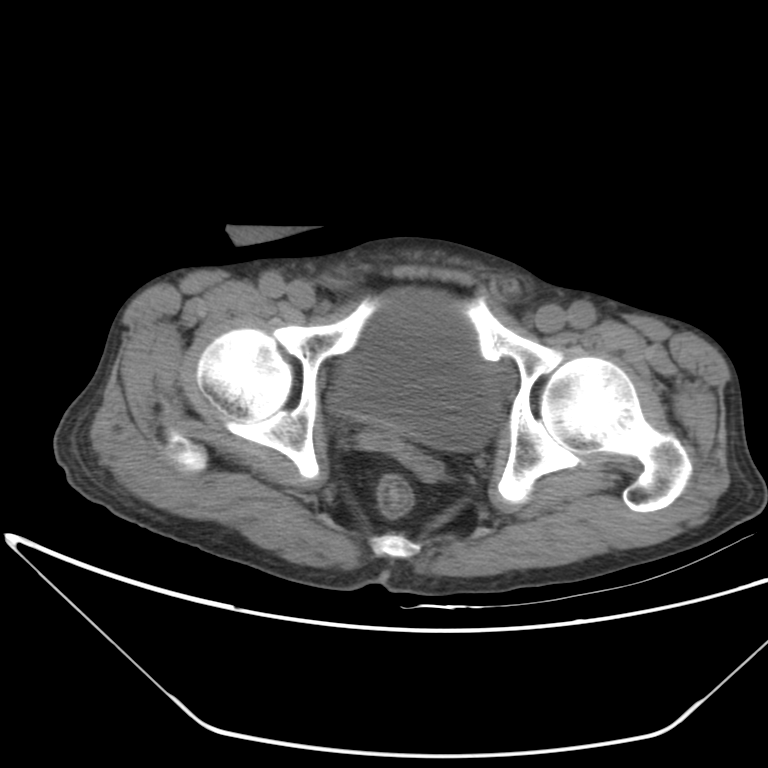

CT abdomen — axial view — 15 organs annotated in this scan (a whole-scan count: organs this slice does not pass through have no box)
Each box given as x1,y1,x2,y2. 1 labeled organ on this slice — bladder at x1=329, y1=291, x2=500, y2=449.